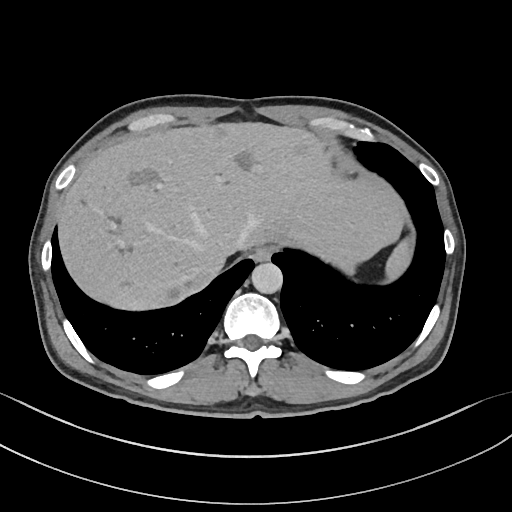
Abdominal CT — axial view — 14 organs annotated in this scan (a whole-scan count: organs this slice does not pass through have no box)
Each box given as x1,y1,x2,y2.
spleen: x1=386, y1=235, x2=412, y2=280
esophagus: x1=252, y1=246, x2=274, y2=261
liver: x1=57, y1=122, x2=403, y2=310
aorta: x1=251, y1=262, x2=282, y2=293
inferior vena cava: x1=197, y1=262, x2=222, y2=283